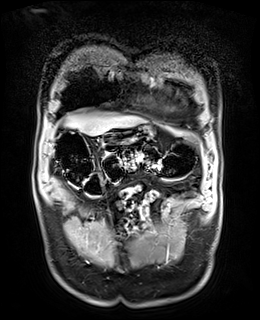

MRI, abdomen — coronal view — 260x320 px
Coordinates as <box>x1,y1,x2,y2</box> in pixels. Labeled organs on this slice: liver at <box>69,113,143,135</box>, stomach at <box>101,125,152,151</box>.